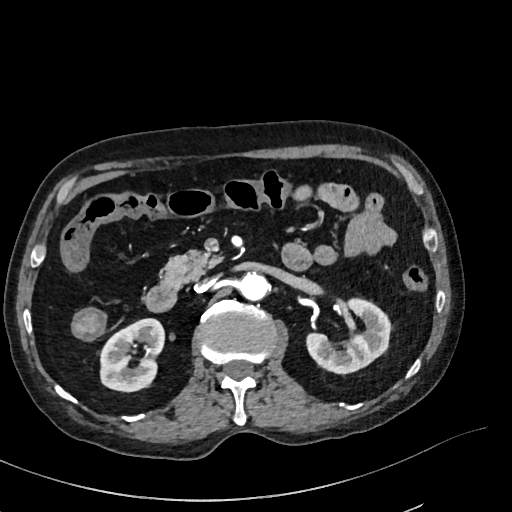 Computed tomography, abdomen; axial view; W/L 400/40 HU; acquired on SOMATOM Force
{"organs":{"right kidney":[100,318,164,391],"left kidney":[306,298,390,373],"aorta":[238,272,269,300],"inferior vena cava":[195,278,214,291],"pancreas":[161,250,220,287],"duodenum":[144,282,177,312]}}